Abdominal CT — Axial slice 175/191 — 512x512 px
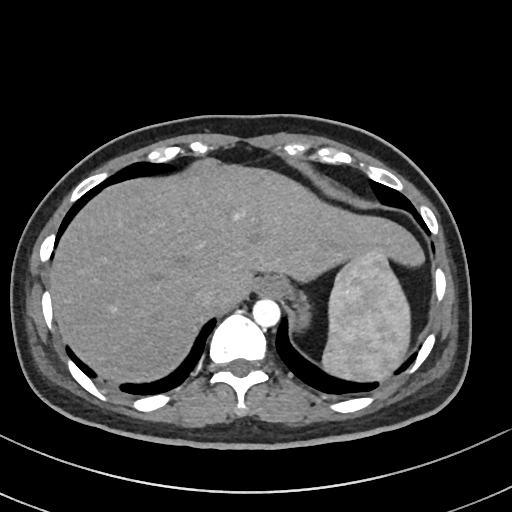 Coordinates as <box>x1,y1,x2,y2</box> in pixels.
Organ bounding boxes:
- spleen: <box>323,251,410,380</box>
- esophagus: <box>254,276,286,296</box>
- liver: <box>50,160,424,382</box>
- stomach: <box>299,303,309,326</box>
- aorta: <box>252,298,280,327</box>
- inferior vena cava: <box>191,284,219,308</box>